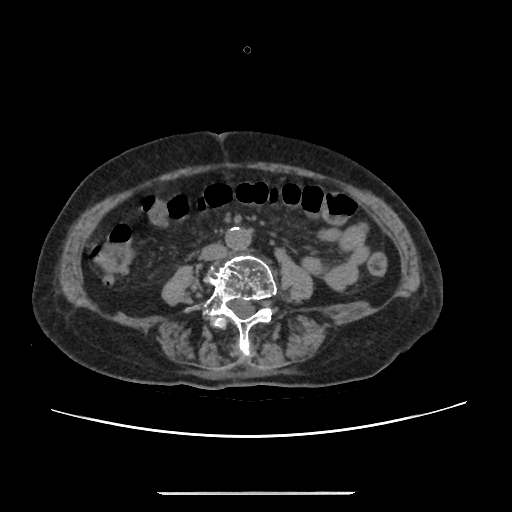 CT abdomen · Axial slice 174/353 · soft-tissue window (W 400 / L 40)
Box edges are left/top/right/bottom in pixels.
aorta: left=225, top=227, right=250, bottom=249
inferior vena cava: left=200, top=244, right=225, bottom=259